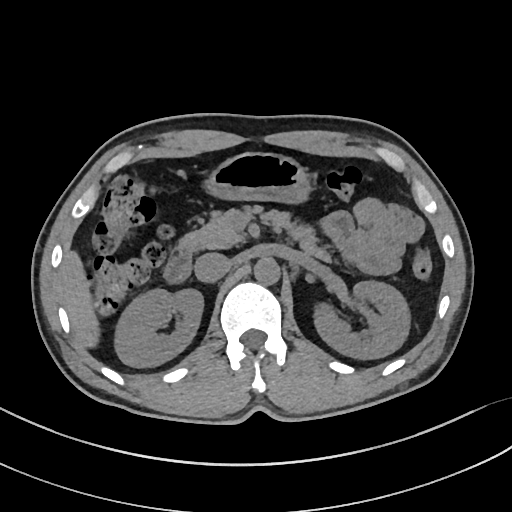
Computed tomography, abdomen. axial view. abdomen soft-tissue window. scan has 15 labeled organs (counted over the whole 3D scan, not this slice; an organ is boxed only where this slice passes through it)
Boxes: x1 y1 x2 y2 (pixel coords, space-separated).
Organ bounding boxes:
- inferior vena cava: 194 252 231 282
- pancreas: 178 206 327 256
- left kidney: 314 280 410 359
- aorta: 254 257 280 285
- stomach: 205 152 311 203
- duodenum: 164 248 191 282
- right kidney: 114 289 203 367
- liver: 60 251 99 347